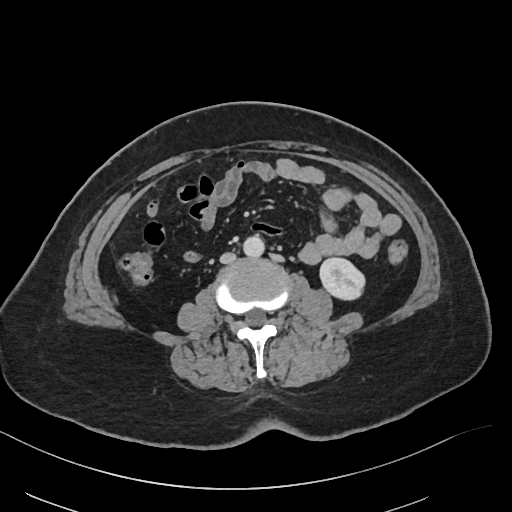 CT abdomen. axial view. 512x512 px
Each box given as x1,y1,x2,y2. Labeled organs on this slice: inferior vena cava at x1=220, y1=253, x2=235, y2=263, aorta at x1=243, y1=235, x2=264, y2=257, left kidney at x1=319, y1=257, x2=364, y2=299.